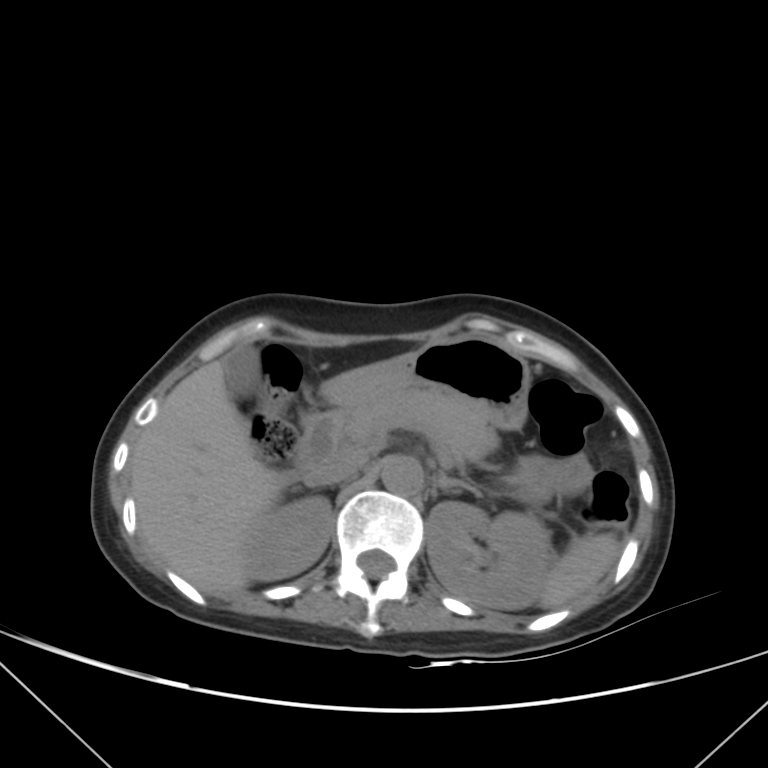 Abdominal CT. axial view. 768x768 px. 39-year-old female patient
Boxes: x1 y1 x2 y2 (pixel coords, space-separated).
Organ bounding boxes:
- duodenum: 293 411 339 479
- gall bladder: 223 345 258 397
- pancreas: 337 392 498 468
- left kidney: 426 501 550 610
- inferior vena cava: 306 460 361 486
- liver: 129 359 285 593
- spleen: 538 533 620 608
- stomach: 320 335 530 429
- left adrenal gland: 438 470 481 498
- right kidney: 244 496 332 579
- aorta: 381 455 422 495